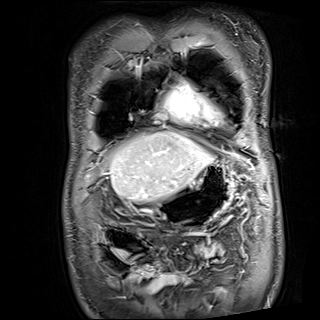 Abdominal MR · coronal plane, index 53 · 1st–99th percentile window · 320x320 px · Prisma scanner · scan has 13 labeled organs (counted over the whole 3D scan, not this slice; an organ is boxed only where this slice passes through it)
{"organs":{"stomach":[151,161,236,227],"liver":[109,131,212,201]}}